CT, abdomen/pelvis. axial view. abdomen soft-tissue window
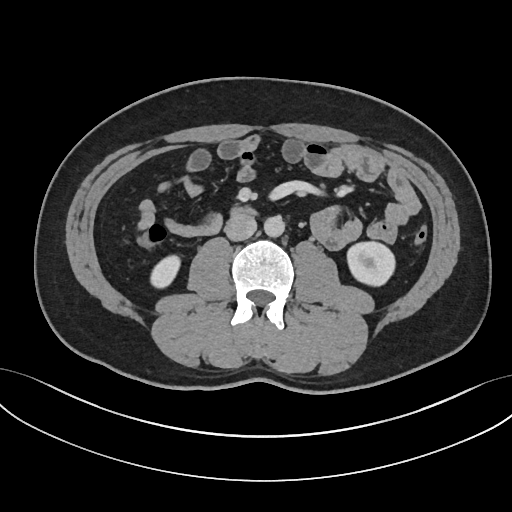 Boxes: x1 y1 x2 y2 (pixel coords, space-separated).
right kidney: 151 255 179 287
left kidney: 347 241 395 285
aorta: 263 215 284 237
inferior vena cava: 224 214 256 240
duodenum: 233 207 257 214